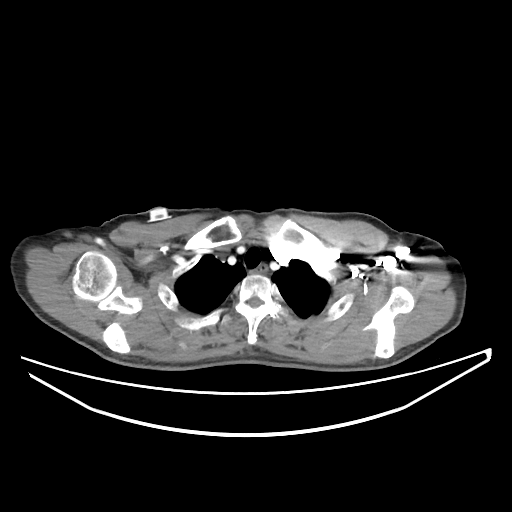
CT of the abdomen extending into the chest, slice through the chest — Axial slice 115/120 — soft-tissue window, W/L 400/40 — acquired on Aquilion ONE
On a slice this high in the chest, this dataset labels only the esophagus and the aorta, and each is boxed only where it is labeled; the heart, lungs and other chest structures are not labeled. Coordinates as <box>x1,y1,x2,y2</box> in pixels. Labeled organs on this slice: esophagus at <box>252,266,266,273</box>.